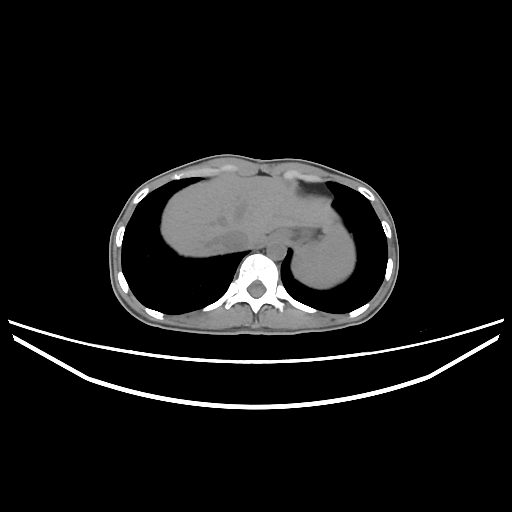 Abdominal CT · axial view · abdomen soft-tissue window · 15 organs annotated in this scan (counted over the whole 3D scan, not this slice; an organ is boxed only where this slice passes through it)
Organ boxes in pixel coordinates; each row gives the top-left (x1, y1) and bottom-right (x2, y2) corners.
| organ | x1 | y1 | x2 | y2 |
|---|---|---|---|---|
| spleen | 293 | 229 | 354 | 288 |
| esophagus | 266 | 230 | 289 | 242 |
| liver | 161 | 174 | 343 | 256 |
| stomach | 288 | 230 | 312 | 242 |
| aorta | 266 | 240 | 285 | 259 |
| inferior vena cava | 220 | 230 | 249 | 250 |